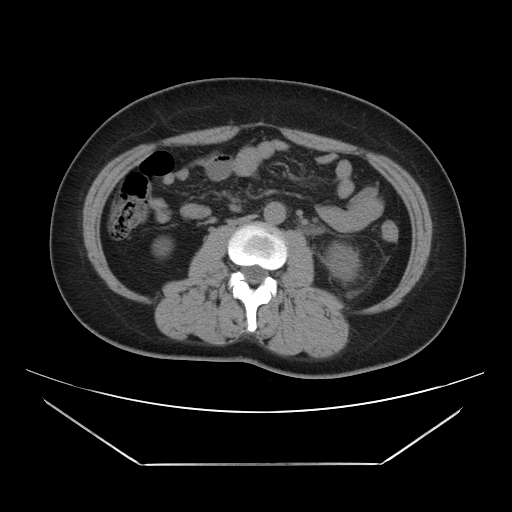 CT abdomen; axial plane, index 49; soft-tissue window; 512x512 px; 15 organs annotated in this scan (counted over the whole 3D scan, not this slice; an organ is boxed only where this slice passes through it)
<organs><organ name="right kidney" x1="152" y1="237" x2="172" y2="257"/><organ name="left kidney" x1="325" y1="243" x2="358" y2="280"/><organ name="aorta" x1="264" y1="202" x2="285" y2="224"/><organ name="inferior vena cava" x1="229" y1="215" x2="255" y2="225"/></organs>